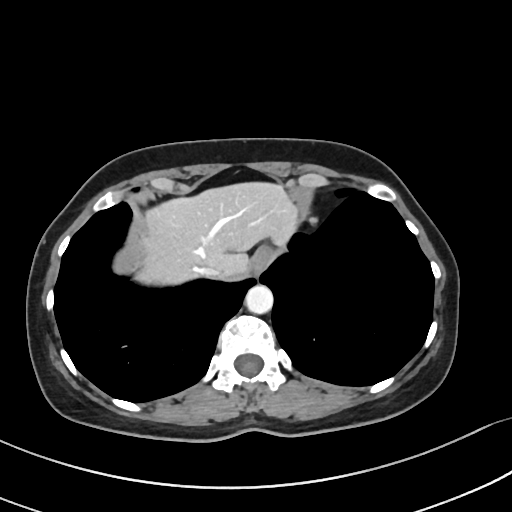

Computed tomography, abdomen · Axial slice 164/175 · 512x512 px · 15 organs annotated in this scan (counted over the whole 3D scan, not this slice; an organ is boxed only where this slice passes through it)
<organs><organ name="esophagus" x1="250" y1="247" x2="269" y2="274"/><organ name="liver" x1="135" y1="182" x2="297" y2="284"/><organ name="aorta" x1="245" y1="285" x2="273" y2="313"/><organ name="inferior vena cava" x1="193" y1="265" x2="218" y2="278"/></organs>